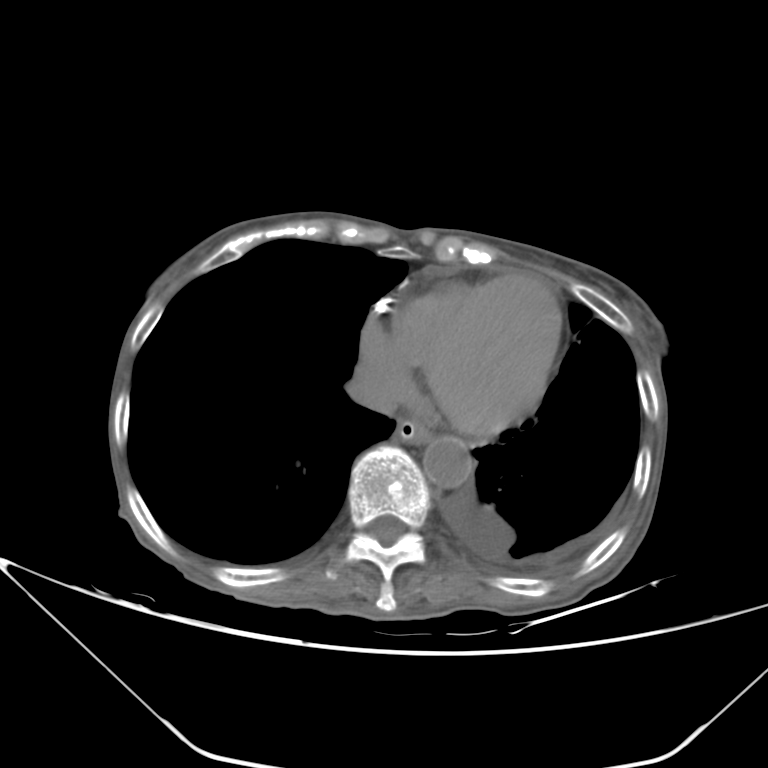

Abdominal CT; this slice is in the lower chest, just above the liver. Axial slice 84/88. soft-tissue window
Of the structures in the chest, this dataset labels only the esophagus, the aorta and the inferior vena cava; the heart and lungs have no label.
Bounding boxes in pixels, one row per box: x1, y1 is the top-left corner and x2, y2 the bottom-right.
| organ | x1 | y1 | x2 | y2 |
|---|---|---|---|---|
| esophagus | 395 | 419 | 431 | 443 |
| aorta | 423 | 436 | 472 | 487 |
| inferior vena cava | 346 | 364 | 401 | 413 |